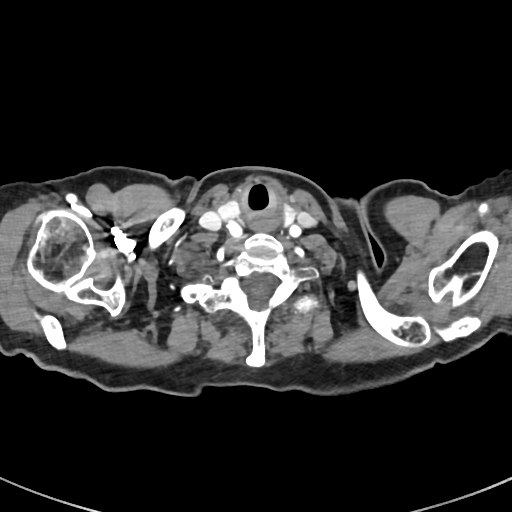 Chest-level slice from an abdominal CT that extends up into the chest. axial view
At this level of the chest no structure but the esophagus and the aorta has a label in this dataset, and those two are boxed only where they are labeled.
Each box given as x1,y1,x2,y2.
esophagus: x1=249, y1=217, x2=276, y2=230